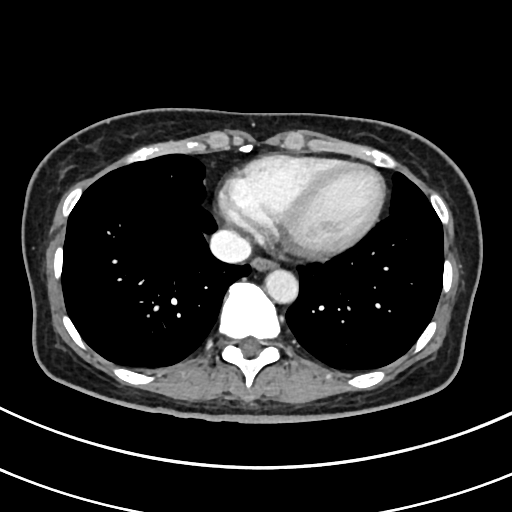

CT of the abdomen reaching into the lower chest, slice just above the liver and spleen · axial view · soft-tissue window, W/L 400/40 · 512x512 px
The heart and lungs are never labeled in this dataset, so they have no box on this slice. Box edges are left/top/right/bottom in pixels. 3 labeled organs on this slice — esophagus at left=252, top=257, right=277, bottom=269; aorta at left=265, top=269, right=297, bottom=302; inferior vena cava at left=209, top=229, right=251, bottom=263.